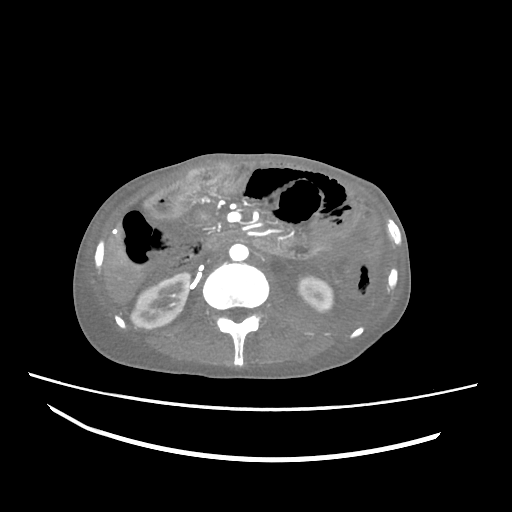

Abdominal CT. axial plane, index 57. abdomen soft-tissue window. 47-year-old male patient. acquired on Aquilion ONE. 15 organs annotated in this scan (counted over the whole 3D scan, not this slice; an organ is boxed only where this slice passes through it)
{"organs":{"inferior vena cava":[207,248,225,264],"duodenum":[203,231,278,253],"left kidney":[298,277,333,311],"aorta":[229,243,248,261],"liver":[103,225,146,304],"right kidney":[131,272,189,329]}}